CT abdomen · axial view
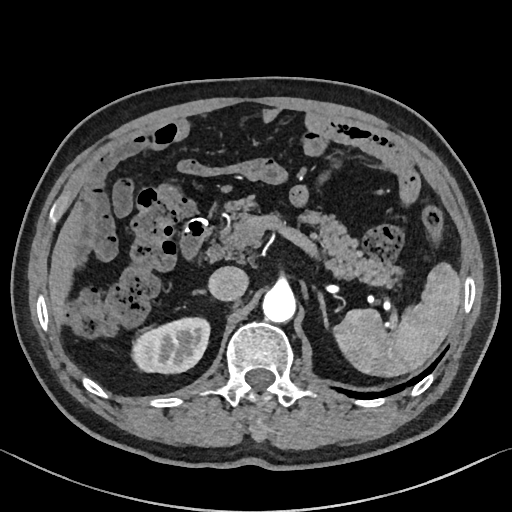
Each box given as x1,y1,x2,y2. 9 labeled organs on this slice — right kidney at x1=132, y1=317, x2=209, y2=373; duodenum at x1=180, y1=218, x2=210, y2=259; pancreas at x1=207, y1=199, x2=399, y2=286; right adrenal gland at x1=194, y1=291, x2=204, y2=293; aorta at x1=262, y1=287, x2=295, y2=323; left adrenal gland at x1=317, y1=291, x2=328, y2=328; inferior vena cava at x1=208, y1=266, x2=248, y2=301; spleen at x1=334, y1=262, x2=461, y2=377; liver at x1=48, y1=202, x2=84, y2=325.